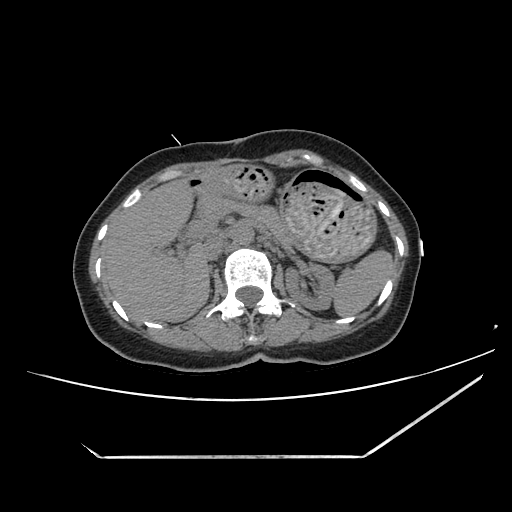

CT, abdomen/pelvis · axial view · abdomen soft-tissue window · SOMATOM Force scanner · 14 organs annotated in this scan (that count is for the whole scan; organs this slice misses have no box)
<organs><organ name="pancreas" x1="195" y1="195" x2="291" y2="246"/><organ name="left kidney" x1="285" y1="263" x2="335" y2="310"/><organ name="inferior vena cava" x1="203" y1="236" x2="224" y2="260"/><organ name="spleen" x1="333" y1="250" x2="392" y2="316"/><organ name="stomach" x1="188" y1="164" x2="376" y2="261"/><organ name="aorta" x1="232" y1="221" x2="254" y2="244"/><organ name="liver" x1="104" y1="179" x2="210" y2="323"/></organs>